Abdominal CT — axial view — 512x512 px — acquired on SOMATOM Force
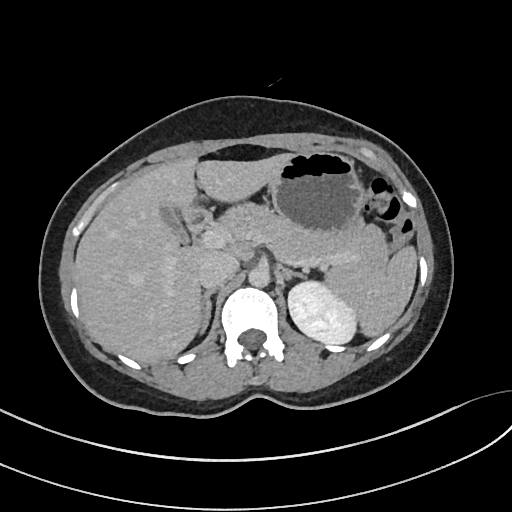

{"organs":{"pancreas":[223,205,390,273],"gall bladder":[161,205,189,243],"left adrenal gland":[280,267,305,281],"inferior vena cava":[199,252,238,289],"aorta":[248,266,270,288],"spleen":[321,245,419,338],"left kidney":[287,281,355,343],"right adrenal gland":[200,290,215,333],"duodenum":[183,206,211,232],"liver":[72,153,292,363],"stomach":[269,150,364,236]}}